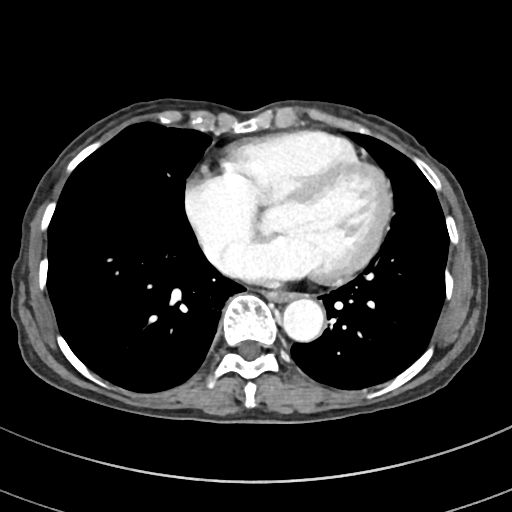

CT of the abdomen reaching into the lower chest, slice just above the liver and spleen — Axial slice 187/198 — W/L 400/40 HU — 14 organs annotated in this scan (a whole-scan count: organs this slice does not pass through have no box)
Of the structures in the chest, this dataset labels only the esophagus, the aorta and the inferior vena cava; the heart and lungs have no label.
<organs><organ name="esophagus" x1="267" y1="291" x2="293" y2="301"/><organ name="aorta" x1="282" y1="298" x2="323" y2="342"/></organs>